CT abdomen; axial view; 15 organs annotated in this scan (that count is for the whole scan; organs this slice misses have no box)
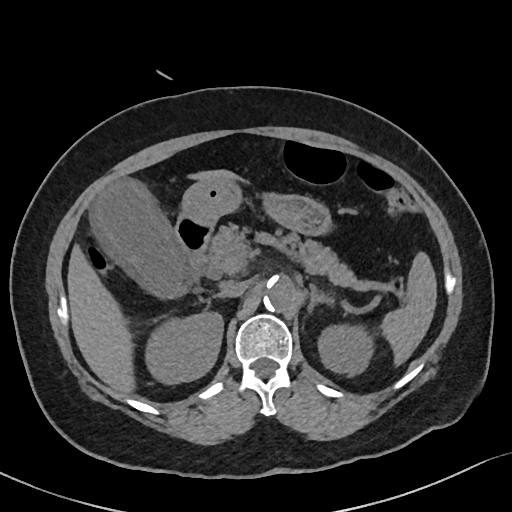

Coordinates as <box>x1,y1,x2,y2</box> in pixels. The annotated organs in this slice are: right kidney at <box>145,311,222,384</box>, spleen at <box>383,252,437,363</box>, left kidney at <box>317,325,374,376</box>, stomach at <box>181,177,327,233</box>, inferior vena cava at <box>220,280,248,297</box>, aorta at <box>264,276,294,311</box>, left adrenal gland at <box>309,282,336,308</box>, pancreas at <box>203,225,359,287</box>, duodenum at <box>176,214,209,286</box>, liver at <box>67,168,243,395</box>, gall bladder at <box>91,181,189,295</box>.